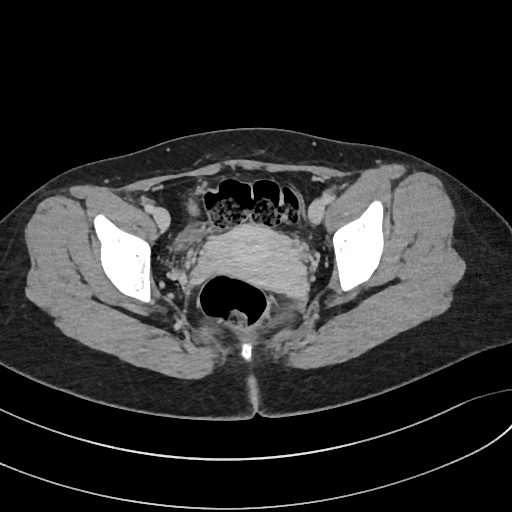 Abdominal CT · axial view · 512x512 px
Coordinates as <box>x1,y1,x2,y2</box> in pixels.
bladder: <box>175,202,211,248</box>
prostate/uterus: <box>204,224,302,290</box>